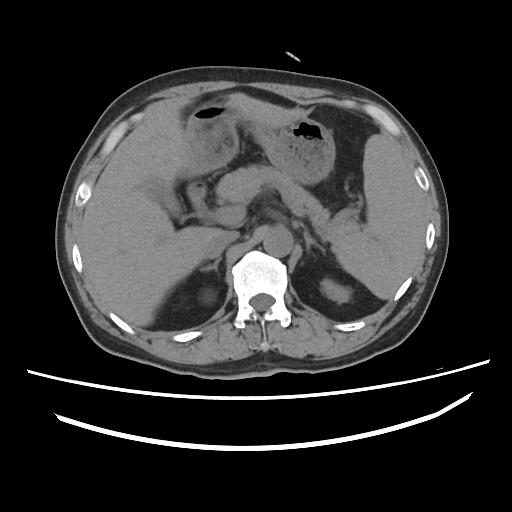 Abdominal CT. axial view. Aquilion ONE scanner
<organs><organ name="duodenum" x1="187" y1="180" x2="206" y2="210"/><organ name="right kidney" x1="199" y1="288" x2="216" y2="304"/><organ name="spleen" x1="333" y1="134" x2="426" y2="299"/><organ name="right adrenal gland" x1="200" y1="258" x2="220" y2="271"/><organ name="pancreas" x1="215" y1="165" x2="357" y2="243"/><organ name="liver" x1="82" y1="93" x2="297" y2="326"/><organ name="gall bladder" x1="142" y1="179" x2="180" y2="216"/><organ name="left kidney" x1="321" y1="278" x2="351" y2="303"/><organ name="inferior vena cava" x1="203" y1="230" x2="237" y2="258"/><organ name="aorta" x1="263" y1="226" x2="293" y2="256"/><organ name="left adrenal gland" x1="304" y1="230" x2="325" y2="253"/><organ name="stomach" x1="181" y1="101" x2="335" y2="184"/></organs>